CT abdomen. axial view
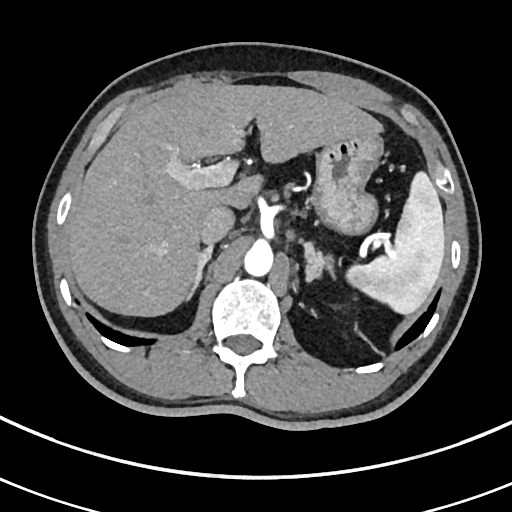

Boxes: x1 y1 x2 y2 (pixel coords, space-separated). The annotated organs in this slice are: left adrenal gland at 302 243 336 279, right adrenal gland at 185 246 212 301, aorta at 243 243 273 275, inferior vena cava at 199 206 233 245, stomach at 314 134 383 232, liver at 68 85 382 316, spleen at 345 169 445 314.